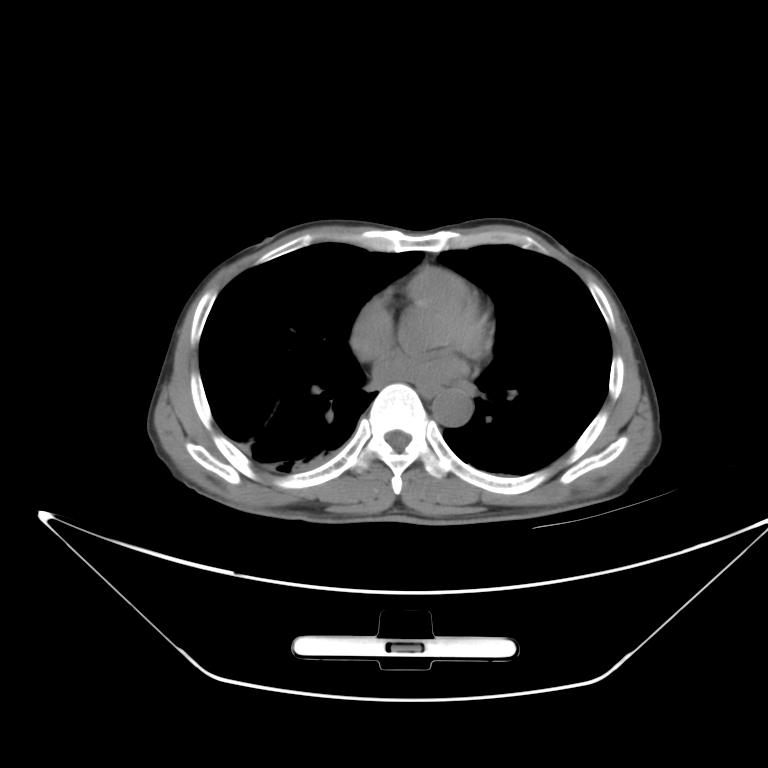
Abdominal CT; this slice is in the lower chest, just above the liver. axial plane, index 91. soft-tissue window, W/L 400/40. 768x768 px
No part of the heart or lungs is labeled in this dataset, so neither has a box here.
Bounding boxes in pixels, one row per box: x1, y1 is the top-left corner and x2, y2 the bottom-right.
| organ | x1 | y1 | x2 | y2 |
|---|---|---|---|---|
| esophagus | 418 | 385 | 441 | 398 |
| aorta | 433 | 389 | 471 | 424 |